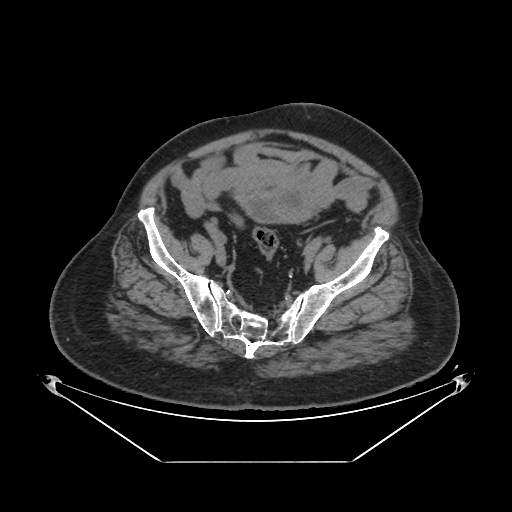 CT abdomen; axial view; soft-tissue window; 15 organs annotated in this scan (a whole-scan count: organs this slice does not pass through have no box)
Boxes: x1:y1:x2:y2 in pixels.
Organ bounding boxes:
- bladder: 237:182:318:223